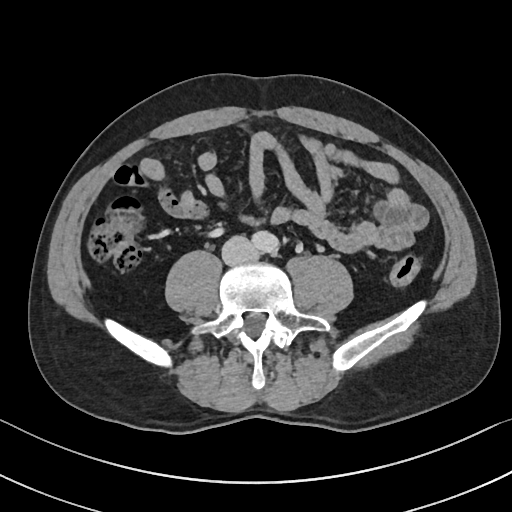 CT abdomen · axial plane, index 84 · SOMATOM Force scanner · scan has 15 labeled organs (that count is for the whole scan; organs this slice misses have no box)
{"organs":{"aorta":[252,231,279,253],"inferior vena cava":[222,235,258,265]}}